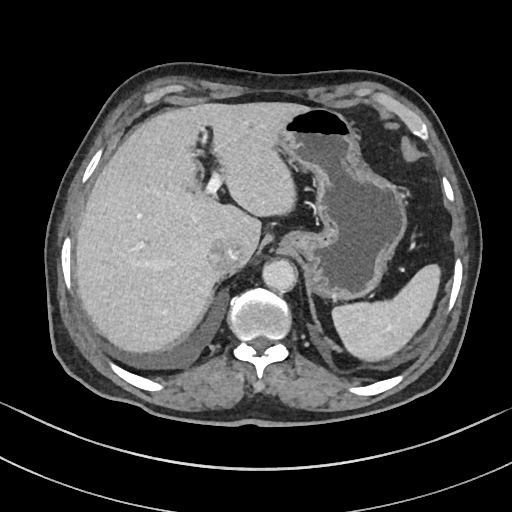

Computed tomography, abdomen. axial view. abdomen soft-tissue window
One row per box, in pixels: columns x1 and y1 give the top-left corner, x2 and y2 the bottom-right.
| organ | x1 | y1 | x2 | y2 |
|---|---|---|---|---|
| spleen | 332 | 265 | 439 | 359 |
| liver | 76 | 103 | 307 | 351 |
| stomach | 278 | 108 | 406 | 301 |
| aorta | 263 | 260 | 298 | 292 |
| inferior vena cava | 209 | 239 | 240 | 273 |